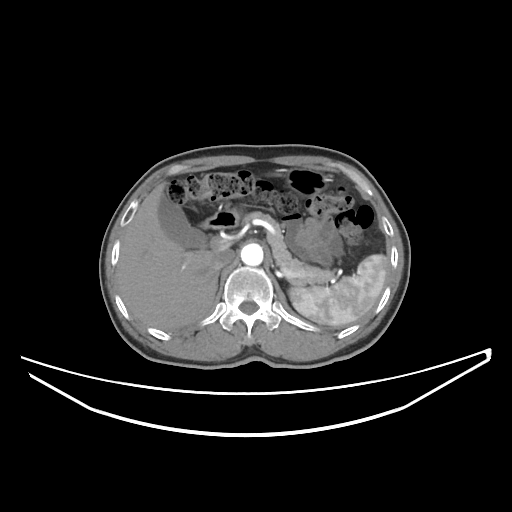

Abdominal CT · Axial slice 67/120 · soft-tissue window (W 400 / L 40) · 15 organs annotated in this scan (a whole-scan count: organs this slice does not pass through have no box)
Each box given as x1,y1,x2,y2.
spleen: x1=289, y1=254, x2=388, y2=326
gall bladder: x1=158, y1=194, x2=207, y2=247
liver: x1=116, y1=182, x2=218, y2=330
stomach: x1=286, y1=167, x2=330, y2=195
aorta: x1=241, y1=243, x2=263, y2=265
inferior vena cava: x1=211, y1=248, x2=235, y2=270
pancreas: x1=244, y1=211, x2=334, y2=285
duodenum: x1=202, y1=209, x2=239, y2=228